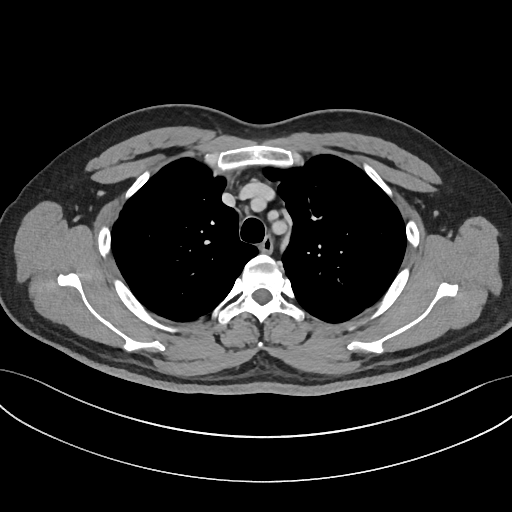
CT of the abdomen extending into the chest, slice through the chest; Axial slice 311/345
At this level of the chest no structure but the esophagus and the aorta has a label in this dataset, and those two are boxed only where they are labeled.
Boxes: x1:y1:x2:y2 in pixels.
esophagus: 260:235:273:252